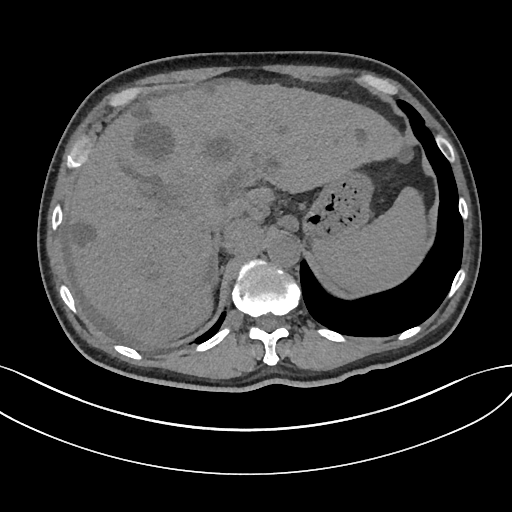

Abdominal CT; axial view; soft-tissue window (W 400 / L 40)
Boxes: x1:y1:x2:y2 in pixels.
spleen: 314:189:424:292
stomach: 301:171:369:242
liver: 63:80:403:346
inferior vena cava: 210:206:237:233
aorta: 267:235:300:267
right adrenal gland: 214:248:218:284